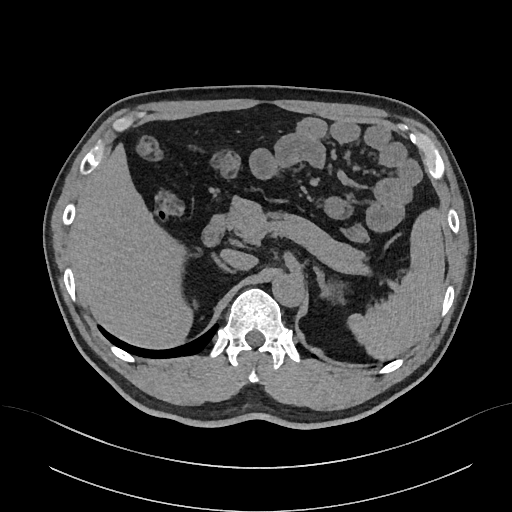
Abdominal CT — axial view — 512x512 px — 15 organs annotated in this scan (counted over the whole 3D scan, not this slice; an organ is boxed only where this slice passes through it)
One row per box, in pixels: columns x1 and y1 give the top-left corner, x2 and y2 the bottom-right.
| organ | x1 | y1 | x2 | y2 |
|---|---|---|---|---|
| spleen | 348 | 206 | 444 | 359 |
| liver | 68 | 142 | 197 | 347 |
| aorta | 272 | 276 | 304 | 308 |
| inferior vena cava | 220 | 249 | 256 | 270 |
| pancreas | 226 | 197 | 363 | 265 |
| right adrenal gland | 193 | 258 | 235 | 308 |
| left adrenal gland | 314 | 267 | 344 | 302 |
| duodenum | 202 | 215 | 226 | 245 |